Computed tomography, abdomen · axial view · soft-tissue window · 768x768 px
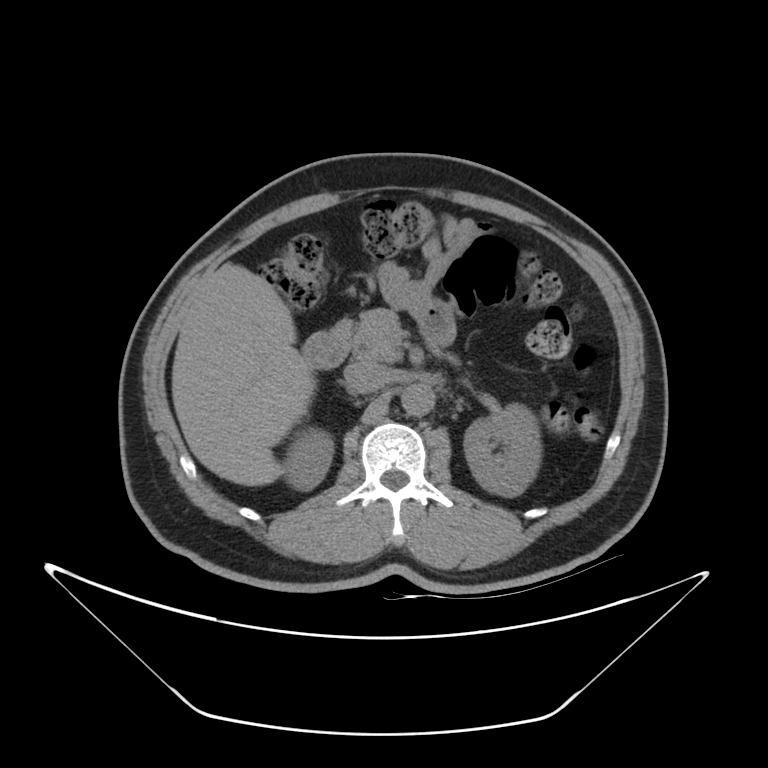
{"organs":{"right kidney":[284,426,333,490],"left kidney":[464,404,541,496],"liver":[172,262,316,485],"aorta":[401,384,434,415],"inferior vena cava":[344,362,389,394],"pancreas":[348,308,402,362],"duodenum":[302,320,352,368]}}